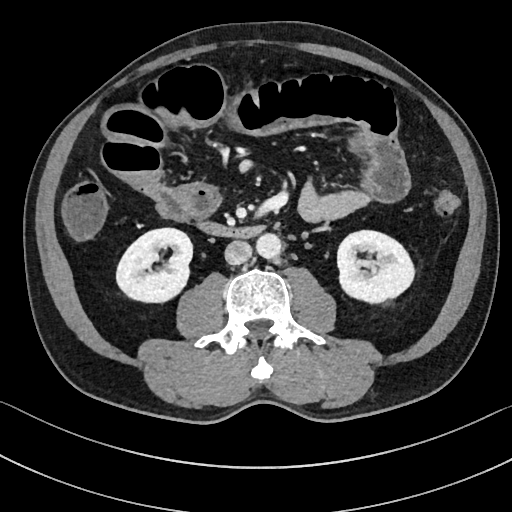
CT, abdomen/pelvis — axial plane, index 123
Bounding boxes in pixels, one row per box: x1, y1 is the top-left corner and x2, y2 the bottom-right.
| organ | x1 | y1 | x2 | y2 |
|---|---|---|---|---|
| right kidney | 116 | 228 | 192 | 302 |
| left kidney | 337 | 230 | 414 | 302 |
| aorta | 256 | 233 | 281 | 258 |
| inferior vena cava | 224 | 240 | 252 | 264 |
| duodenum | 199 | 222 | 261 | 237 |